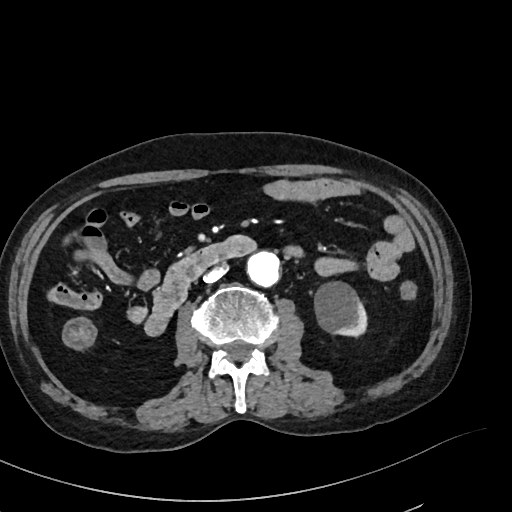 CT, abdomen/pelvis · axial plane, index 130 · W/L 400/40 HU · SOMATOM Force scanner
Bounding boxes in pixels, one row per box: x1, y1 is the top-left corner and x2, y2 the bottom-right.
| organ | x1 | y1 | x2 | y2 |
|---|---|---|---|---|
| inferior vena cava | 203 | 266 | 225 | 283 |
| left kidney | 315 | 282 | 368 | 336 |
| aorta | 247 | 252 | 279 | 285 |
| duodenum | 146 | 235 | 257 | 337 |